CT, abdomen/pelvis; Axial slice 45/284; W/L 400/40 HU; 512x512 px
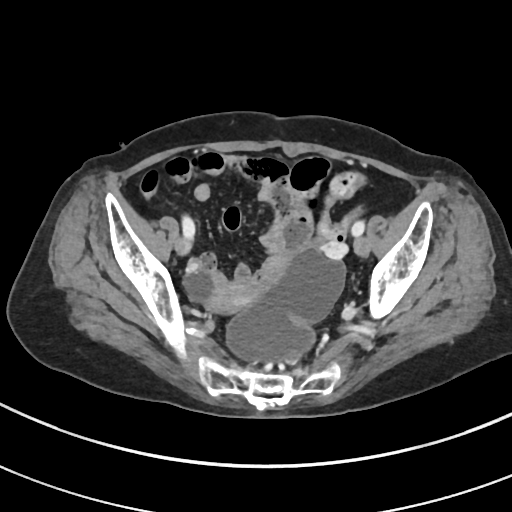

{"organs":{"prostate/uterus":[209,279,257,312]}}